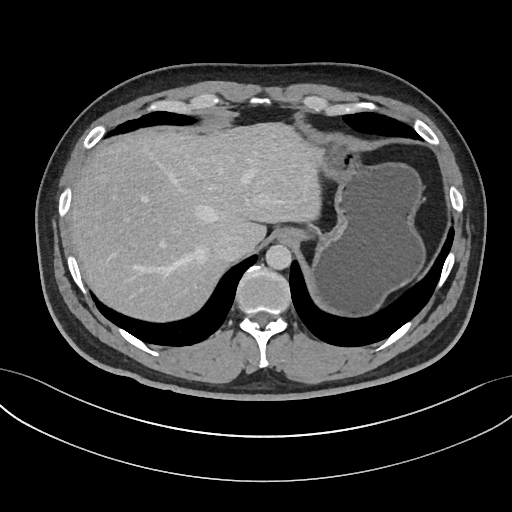

CT, abdomen/pelvis; axial view; 512x512 px
Coordinates as <box>x1,y1,x2,y2</box> in pixels.
Organ bounding boxes:
- esophagus: <box>275,228,300,244</box>
- liver: <box>71,122,321,322</box>
- stomach: <box>307,138,424,316</box>
- aorta: <box>265,244,291,269</box>
- inferior vena cava: <box>213,231,246,260</box>